Abdominal CT; this slice is in the lower chest, just above the liver. axial plane, index 94. Aquilion ONE scanner
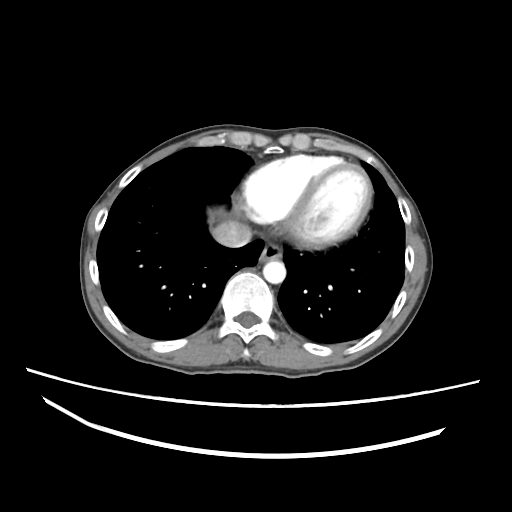
The heart and lungs are never labeled in this dataset, so they have no box on this slice.
Boxes are (x1, y1, x2, y2) in pixels.
Organ bounding boxes:
- esophagus: (259, 241, 281, 261)
- aorta: (263, 260, 286, 283)
- inferior vena cava: (212, 220, 252, 247)